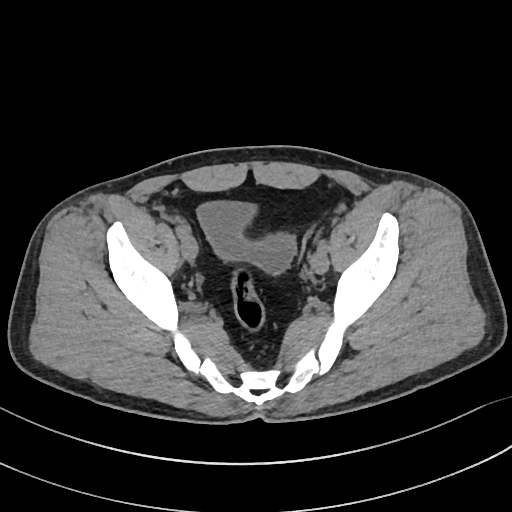 Abdominal CT · axial view · SOMATOM Force scanner
Organ boxes in pixel coordinates; each row gives the top-left (x1, y1) and bottom-right (x2, y2) corners.
| organ | x1 | y1 | x2 | y2 |
|---|---|---|---|---|
| bladder | 199 | 201 | 296 | 272 |